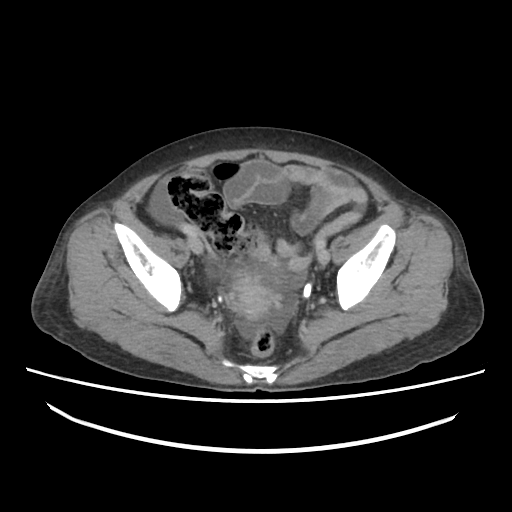 Abdominal CT — axial view — abdomen soft-tissue window
{"organs":{"prostate/uterus":[229,280,269,315]}}